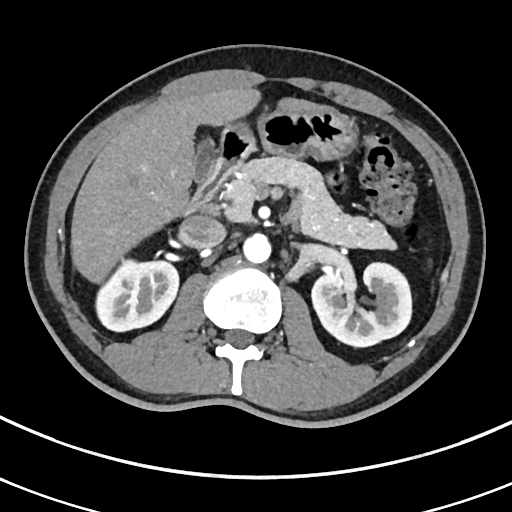
Abdominal CT. axial view. soft-tissue window. 512x512 px. SOMATOM Force scanner. scan has 15 labeled organs (that count is for the whole scan; organs this slice misses have no box)
{"organs":{"right kidney":[96,259,178,331],"left kidney":[311,262,411,346],"gall bladder":[193,139,215,181],"liver":[70,87,325,282],"stomach":[225,107,357,159],"aorta":[243,233,270,263],"inferior vena cava":[180,215,226,248],"pancreas":[225,156,395,249],"duodenum":[188,128,253,211]}}